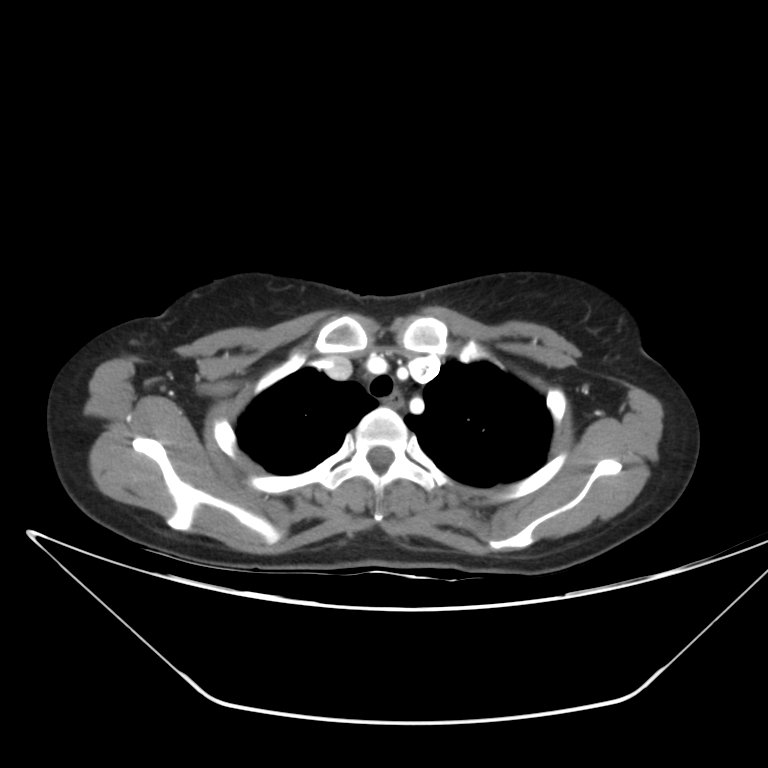

CT of the abdomen extending into the chest, slice through the chest; axial view; W/L 400/40 HU; acquired on Brilliance16; scan has 13 labeled organs (that count is for the whole scan; organs this slice misses have no box)
At this level of the chest no structure but the esophagus and the aorta has a label in this dataset, and those two are boxed only where they are labeled. Coordinates as <box>x1,y1,x2,y2</box> in pixels. The annotated organs in this slice are: esophagus at <box>386,395,404,407</box>.